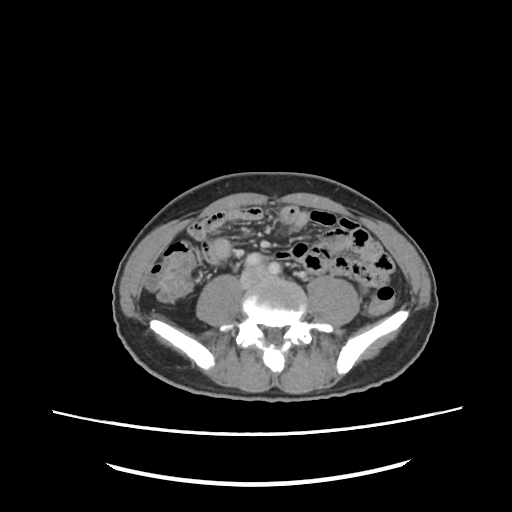

CT abdomen — axial view — 512x512 px — scan has 15 labeled organs (counted over the whole 3D scan, not this slice; an organ is boxed only where this slice passes through it)
{"organs":{"aorta":[270,265,273,269]}}